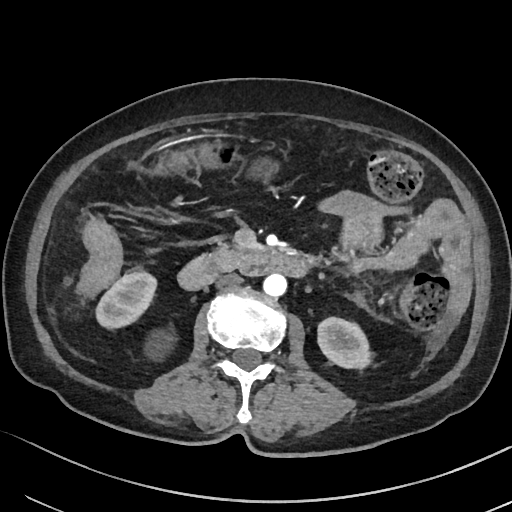 CT, abdomen/pelvis. axial plane, index 143. abdomen soft-tissue window
Bounding boxes in pixels, one row per box: x1, y1 is the top-left corner and x2, y2 the bottom-right.
| organ | x1 | y1 | x2 | y2 |
|---|---|---|---|---|
| right kidney | 96 | 271 | 173 | 355 |
| left kidney | 317 | 317 | 371 | 369 |
| stomach | 155 | 148 | 275 | 178 |
| aorta | 263 | 274 | 286 | 296 |
| inferior vena cava | 215 | 273 | 242 | 287 |
| pancreas | 204 | 243 | 248 | 270 |
| duodenum | 177 | 251 | 309 | 290 |